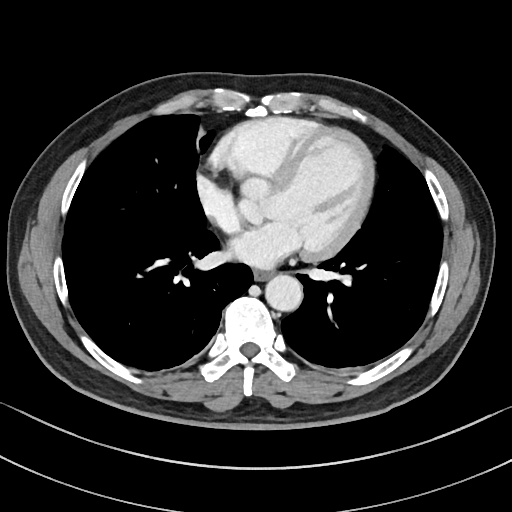

Abdominal CT; this slice is in the lower chest, just above the liver — Axial slice 226/232 — W/L 400/40 HU
Of the structures in the chest, this dataset labels only the esophagus, the aorta and the inferior vena cava; the heart and lungs have no label.
Each box given as x1,y1,x2,y2.
esophagus: x1=254, y1=271, x2=271, y2=281
aorta: x1=265, y1=274, x2=302, y2=311